CT abdomen. axial plane, index 38. soft-tissue window. 512x512 px
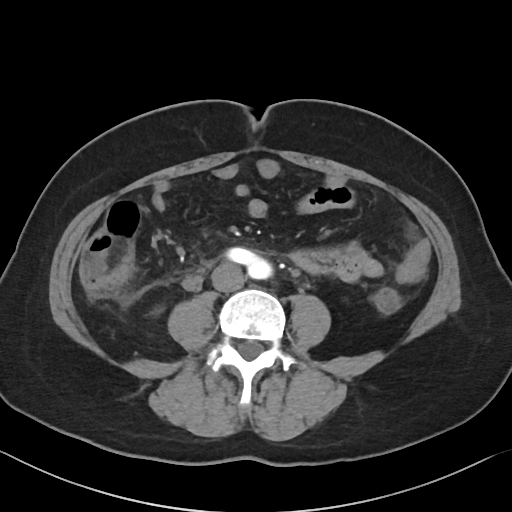 <organs><organ name="aorta" x1="246" y1="256" x2="271" y2="279"/><organ name="inferior vena cava" x1="211" y1="262" x2="244" y2="291"/></organs>